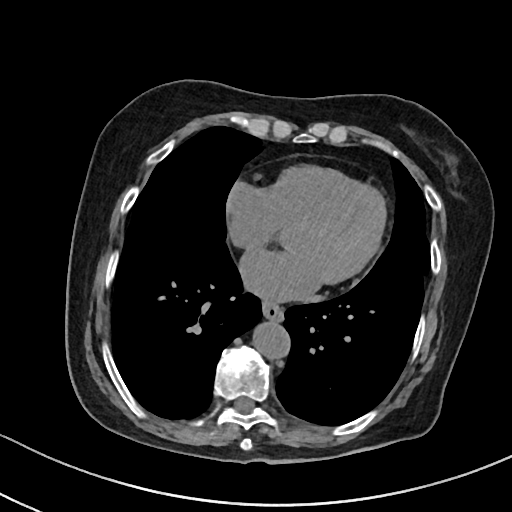 CT of the abdomen reaching into the lower chest, slice just above the liver and spleen · axial view · 512x512 px
No part of the heart or lungs is labeled in this dataset, so neither has a box here.
Bounding boxes in pixels, one row per box: x1, y1 is the top-left corner and x2, y2 the bottom-right.
| organ | x1 | y1 | x2 | y2 |
|---|---|---|---|---|
| aorta | 251 | 321 | 289 | 357 |
| esophagus | 262 | 299 | 283 | 320 |